CT, abdomen/pelvis; axial plane, index 175; soft-tissue window; 512x512 px
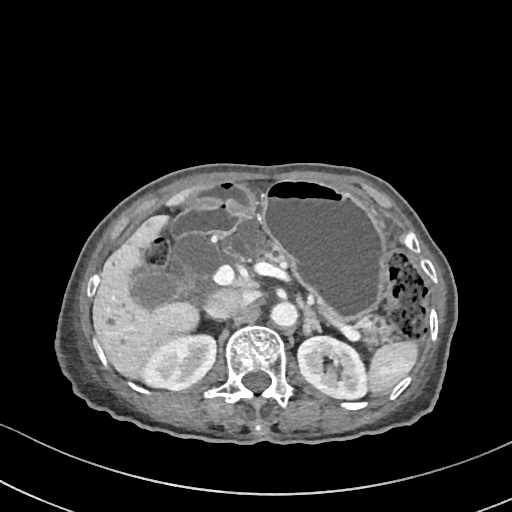

Boxes: x1 y1 x2 y2 (pixel coords, space-separated).
Organ bounding boxes:
- spleen: 368 341 418 392
- right kidney: 138 331 215 390
- left kidney: 298 336 369 398
- gall bladder: 129 272 178 309
- liver: 92 185 200 376
- stomach: 187 181 387 319
- aorta: 271 301 297 326
- inferior vena cava: 204 288 254 317
- pancreas: 221 217 390 345
- left adrenal gland: 304 308 320 334
- duodenum: 170 207 241 238